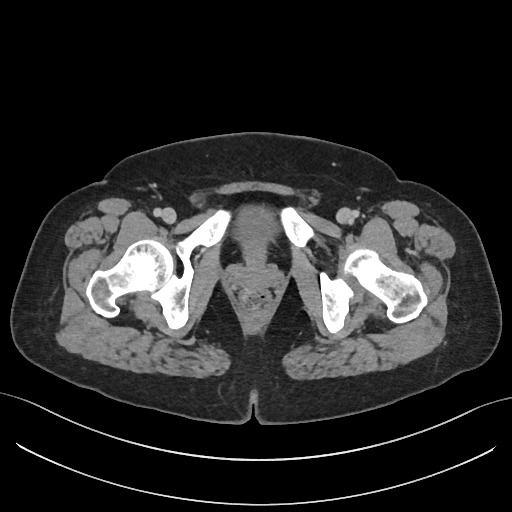

CT abdomen — axial plane, index 24 — W/L 400/40 HU
Boxes: x1 y1 x2 y2 (pixel coords, space-separated).
Organ bounding boxes:
- bladder: 237 208 275 244